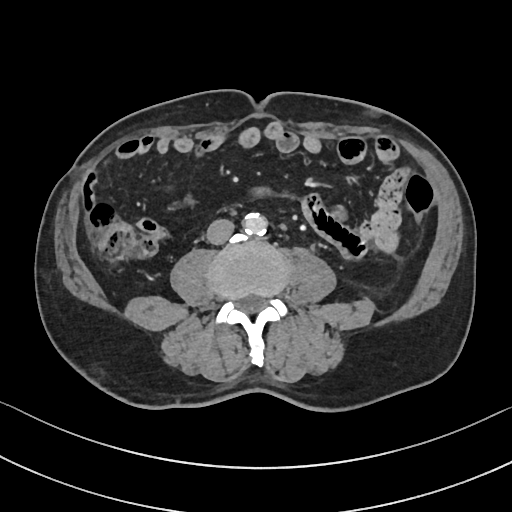
CT abdomen; Axial slice 119/221; acquired on SOMATOM Force
Organ boxes in pixel coordinates; each row gives the top-left (x1, y1) and bottom-right (x2, y2) corners.
| organ | x1 | y1 | x2 | y2 |
|---|---|---|---|---|
| inferior vena cava | 206 | 219 | 234 | 244 |
| aorta | 243 | 213 | 266 | 235 |